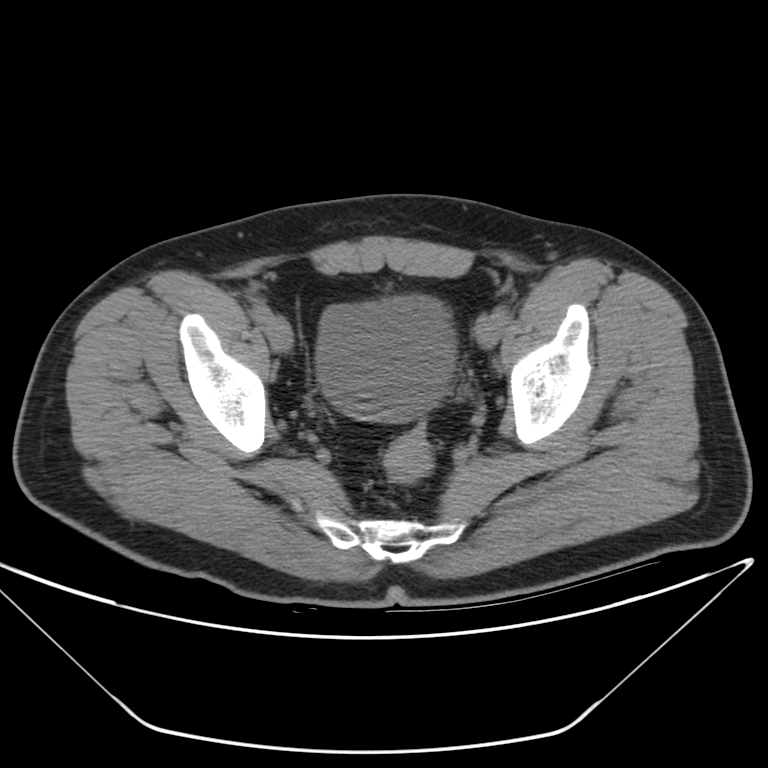

CT, abdomen/pelvis; axial plane, index 26; abdomen soft-tissue window; 45-year-old male patient
Each box given as x1,y1,x2,y2.
bladder: x1=317, y1=296, x2=456, y2=425